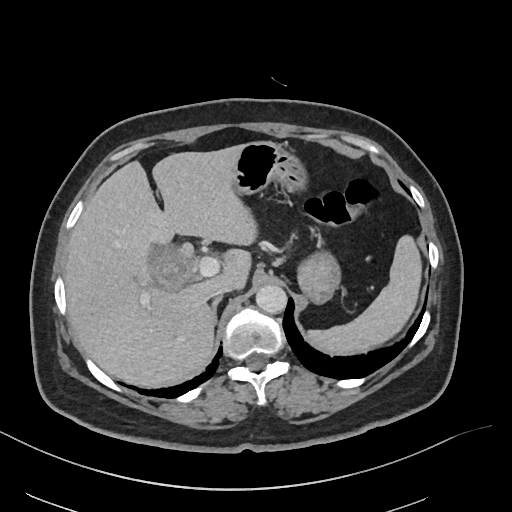

Computed tomography, abdomen — axial view — 512x512 px — 15 organs annotated in this scan (a whole-scan count: organs this slice does not pass through have no box)
<organs><organ name="spleen" x1="307" y1="235" x2="421" y2="354"/><organ name="gall bladder" x1="148" y1="245" x2="188" y2="288"/><organ name="liver" x1="64" y1="145" x2="257" y2="386"/><organ name="stomach" x1="233" y1="141" x2="340" y2="303"/><organ name="aorta" x1="255" y1="285" x2="287" y2="314"/><organ name="inferior vena cava" x1="211" y1="282" x2="233" y2="297"/><organ name="right adrenal gland" x1="212" y1="297" x2="221" y2="322"/></organs>